CT, abdomen/pelvis. axial plane, index 60. 768x768 px. 28-year-old female patient. Brilliance16 scanner
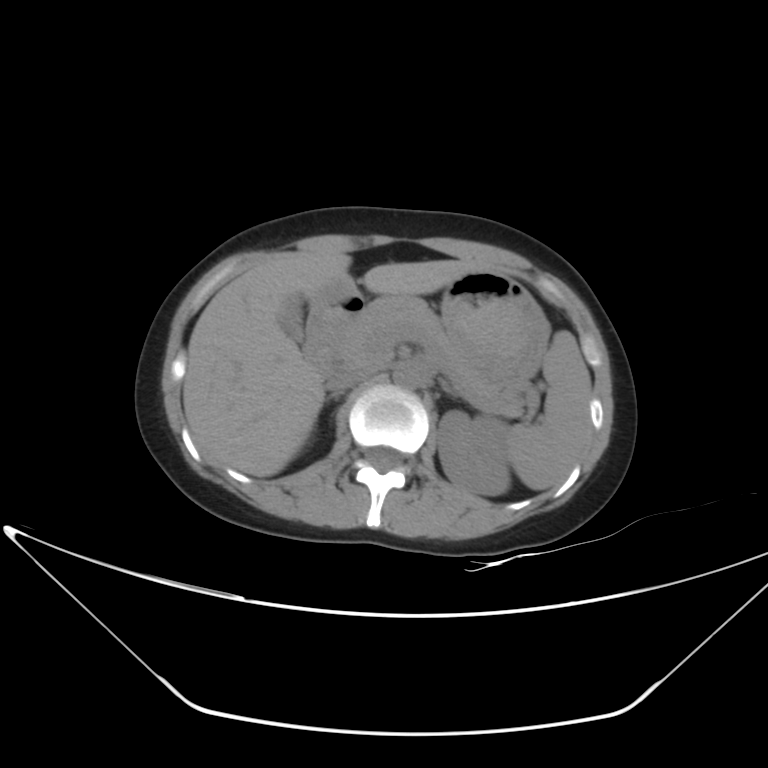

Bounding boxes in pixels, one row per box: x1, y1 is the top-left corner and x2, y2 the bottom-right.
| organ | x1 | y1 | x2 | y2 |
|---|---|---|---|---|
| liver | 182 | 250 | 486 | 477 |
| inferior vena cava | 325 | 365 | 376 | 393 |
| aorta | 392 | 363 | 422 | 388 |
| spleen | 508 | 331 | 591 | 489 |
| left kidney | 437 | 411 | 510 | 495 |
| pancreas | 336 | 296 | 524 | 414 |
| gall bladder | 278 | 296 | 304 | 343 |
| stomach | 321 | 270 | 549 | 390 |
| right adrenal gland | 325 | 394 | 339 | 402 |
| left adrenal gland | 443 | 385 | 459 | 397 |
| duodenum | 305 | 296 | 359 | 370 |